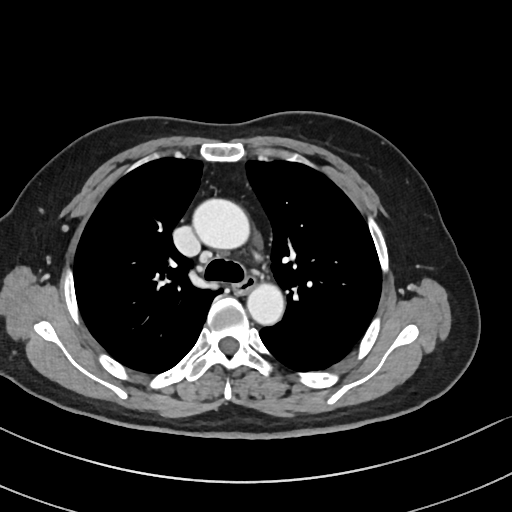

Abdominal CT reaching into the chest; this slice is in the chest · axial plane, index 269 · soft-tissue window, W/L 400/40
On a slice this high in the chest, this dataset labels only the esophagus and the aorta, and each is boxed only where it is labeled; the heart, lungs and other chest structures are not labeled. Boxes are (x1, y1, x2, y2) in pixels. 2 labeled organs on this slice — esophagus at (234, 276, 254, 293); aorta at (194, 199, 251, 250); aorta at (247, 281, 284, 324).